Abdominal MRI — axial plane, index 22 — 576x468 px
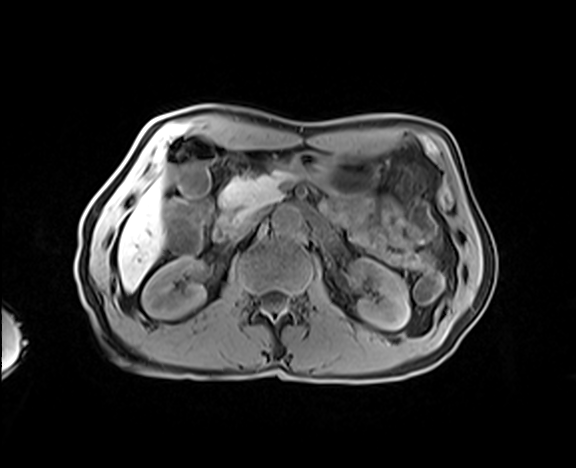
Organ boxes in pixel coordinates; each row gives the top-left (x1, y1) and bottom-right (x2, y2) corners.
| organ | x1 | y1 | x2 | y2 |
|---|---|---|---|---|
| right kidney | 142 | 257 | 205 | 318 |
| left kidney | 351 | 259 | 409 | 329 |
| liver | 118 | 181 | 164 | 291 |
| stomach | 292 | 152 | 377 | 195 |
| aorta | 272 | 206 | 302 | 234 |
| inferior vena cava | 229 | 212 | 263 | 239 |
| pancreas | 219 | 171 | 292 | 217 |
| duodenum | 213 | 214 | 232 | 241 |